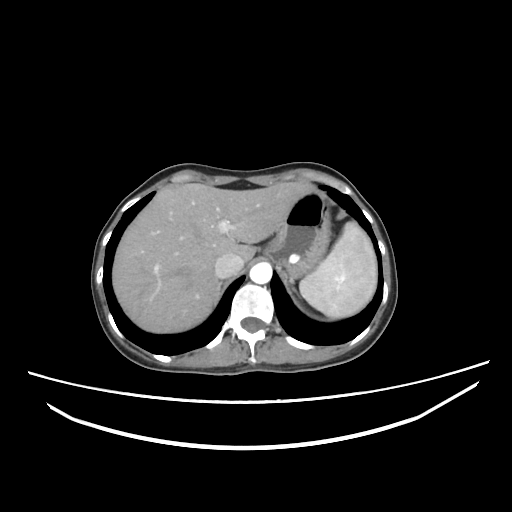

CT abdomen · axial view · soft-tissue window (W 400 / L 40) · 512x512 px
{"organs":{"aorta":[249,262,271,283],"liver":[112,181,311,333],"spleen":[299,221,377,318],"stomach":[265,187,330,278],"right adrenal gland":[214,281,222,304],"inferior vena cava":[214,254,244,278]}}